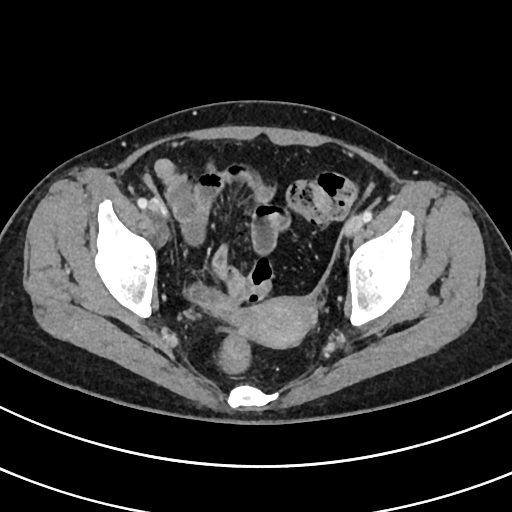 Abdominal CT; axial view; 512x512 px; acquired on SOMATOM Force; 15 organs annotated in this scan (that count is for the whole scan; organs this slice misses have no box)
Coordinates as <box>x1,y1,x2,y2</box> in pixels.
prostate/uterus: <box>236,296,316,347</box>